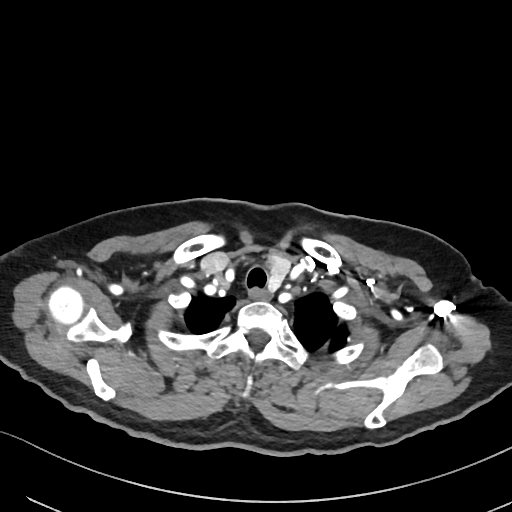
CT of the abdomen extending into the chest, slice through the chest. axial view. soft-tissue window (W 400 / L 40). acquired on SOMATOM Force
At this level of the chest no structure but the esophagus and the aorta has a label in this dataset, and those two are boxed only where they are labeled.
<organs><organ name="esophagus" x1="249" y1="289" x2="270" y2="300"/></organs>